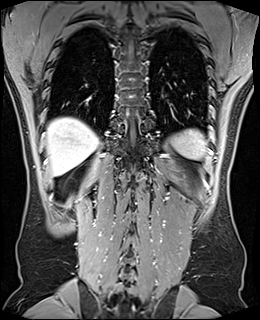

Magnetic resonance imaging, abdomen; Coronal slice 31/144
Bounding boxes as [x1, y1, x2, y2] in pixel coordinates.
Organ bounding boxes:
- spleen: [170, 129, 207, 159]
- liver: [46, 117, 98, 175]